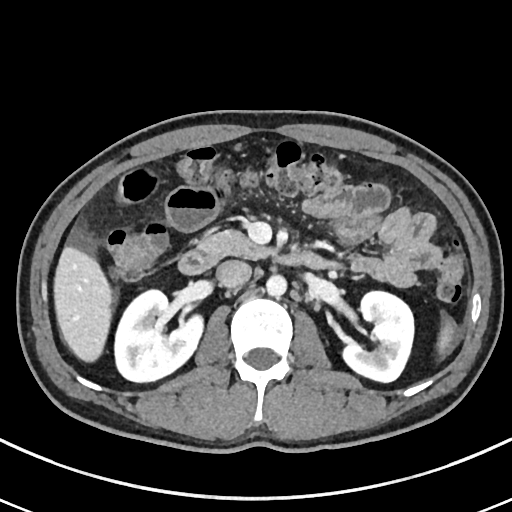
CT, abdomen/pelvis · axial view · 512x512 px · SOMATOM Force scanner
Coordinates as <box>x1,y1,x2,y2</box> in pixels. The annotated organs in this slice are: liver at <box>53,246,113,361</box>, aorta at <box>266,274,286,296</box>, duodenum at <box>178,250,332,274</box>, spleen at <box>437,318,454,355</box>, pancreas at <box>198,230,268,258</box>, inferior vena cava at <box>216,260,251,288</box>, right kidney at <box>114,290,203,381</box>, left kidney at <box>342,291,414,382</box>.